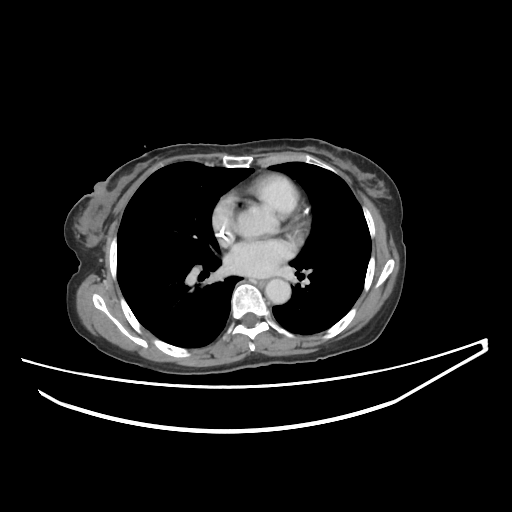
CT of the abdomen reaching into the lower chest, slice just above the liver and spleen · Axial slice 92/116 · 62-year-old female patient
The heart and lungs are never labeled in this dataset, so they have no box on this slice.
Organ boxes in pixel coordinates; each row gives the top-left (x1, y1) and bottom-right (x2, y2) corners.
| organ | x1 | y1 | x2 | y2 |
|---|---|---|---|---|
| esophagus | 258 | 281 | 264 | 284 |
| aorta | 265 | 278 | 290 | 304 |